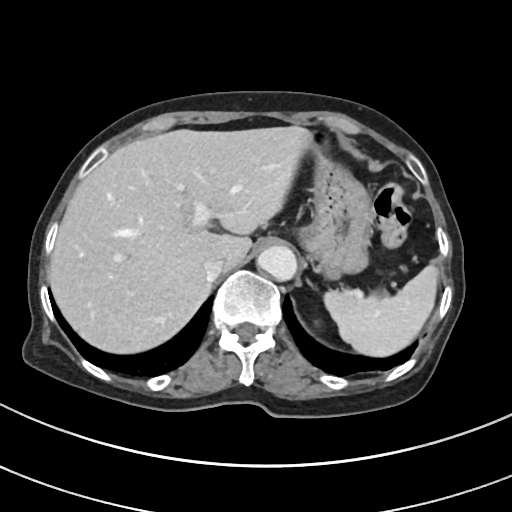

CT abdomen; axial view; 512x512 px
{"organs":{"inferior vena cava":[204,259,226,279],"spleen":[324,265,436,356],"aorta":[256,245,296,280],"liver":[48,125,311,355],"stomach":[301,138,372,278]}}